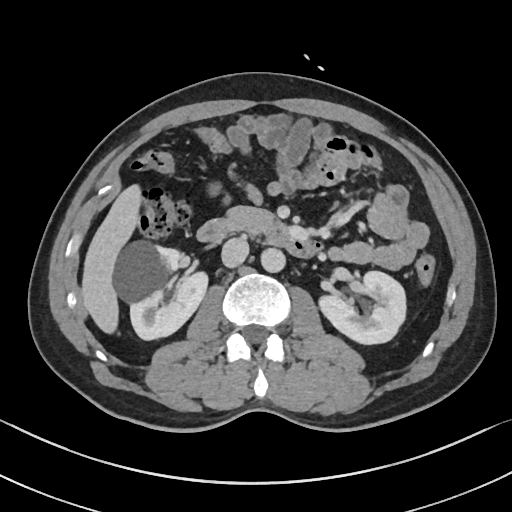 Abdominal CT — axial view
Bounding boxes as [x1, y1, x2, y2] in pixel coordinates. 7 labeled organs on this slice — pancreas at [224, 205, 276, 237]; duodenum at [196, 219, 324, 258]; aorta at [261, 248, 286, 273]; liver at [80, 182, 141, 334]; right kidney at [116, 242, 208, 340]; inferior vena cava at [221, 238, 248, 268]; left kidney at [317, 271, 404, 345].